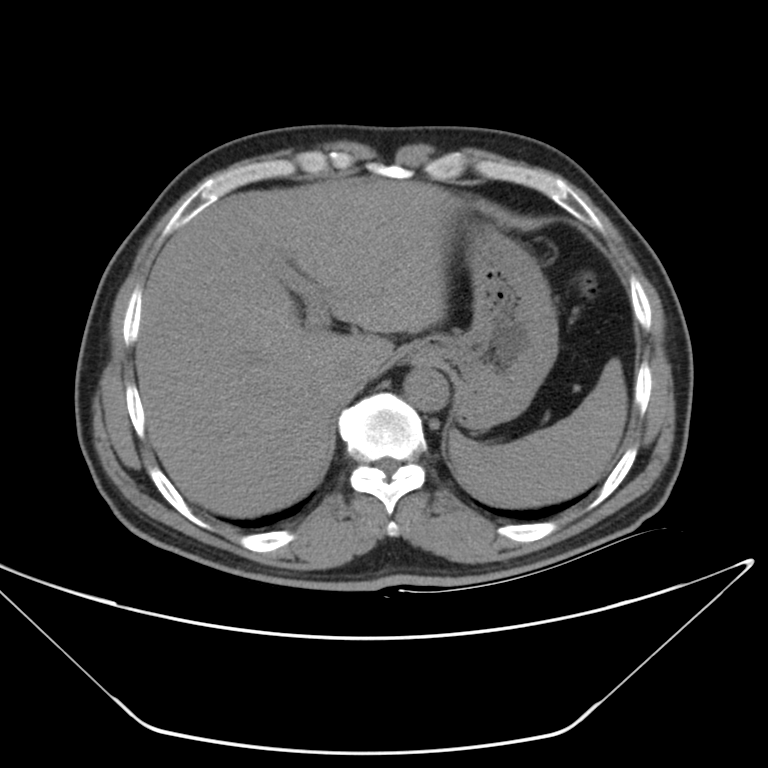 Abdominal CT · axial view · 768x768 px
<organs><organ name="spleen" x1="448" y1="359" x2="627" y2="506"/><organ name="liver" x1="136" y1="177" x2="465" y2="515"/><organ name="stomach" x1="403" y1="221" x2="558" y2="429"/><organ name="aorta" x1="403" y1="365" x2="447" y2="410"/><organ name="inferior vena cava" x1="334" y1="356" x2="386" y2="387"/></organs>